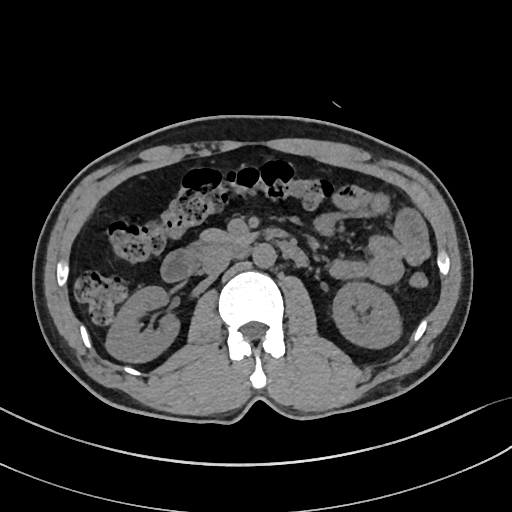
Abdominal CT; axial view; abdomen soft-tissue window; SOMATOM Force scanner
Organ boxes in pixel coordinates; each row gives the top-left (x1, y1) and bottom-right (x2, y2) corners.
| organ | x1 | y1 | x2 | y2 |
|---|---|---|---|---|
| right kidney | 104 | 286 | 180 | 363 |
| left kidney | 332 | 282 | 401 | 349 |
| aorta | 252 | 244 | 276 | 269 |
| inferior vena cava | 201 | 248 | 232 | 277 |
| pancreas | 199 | 229 | 257 | 246 |
| duodenum | 161 | 242 | 307 | 281 |